CT, abdomen/pelvis — Axial slice 110/191 — scan has 15 labeled organs (that count is for the whole scan; organs this slice misses have no box)
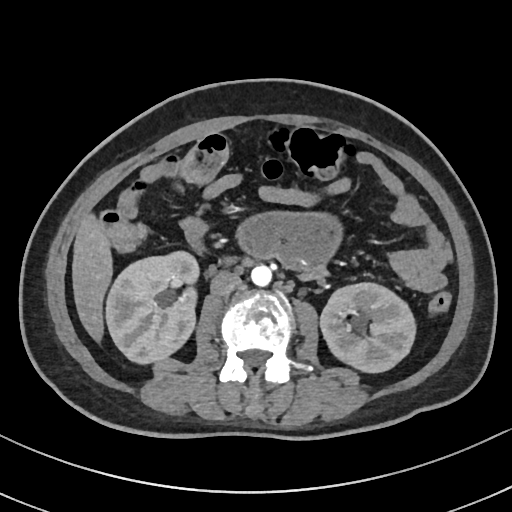 {"organs":{"right kidney":[106,251,199,363],"left kidney":[320,283,415,372],"liver":[72,213,112,342],"aorta":[251,265,271,286],"inferior vena cava":[210,271,241,295]}}